CT, abdomen/pelvis — axial view
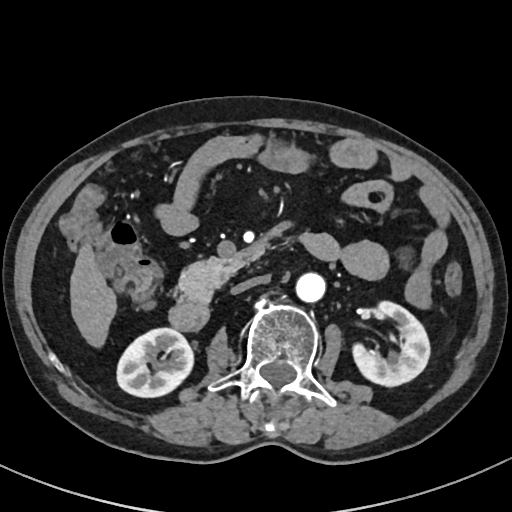
<organs><organ name="right kidney" x1="117" y1="329" x2="193" y2="396"/><organ name="left kidney" x1="350" y1="299" x2="429" y2="385"/><organ name="liver" x1="70" y1="245" x2="115" y2="345"/><organ name="aorta" x1="297" y1="271" x2="326" y2="301"/><organ name="inferior vena cava" x1="231" y1="275" x2="269" y2="293"/><organ name="pancreas" x1="178" y1="258" x2="249" y2="303"/><organ name="duodenum" x1="170" y1="233" x2="341" y2="331"/></organs>